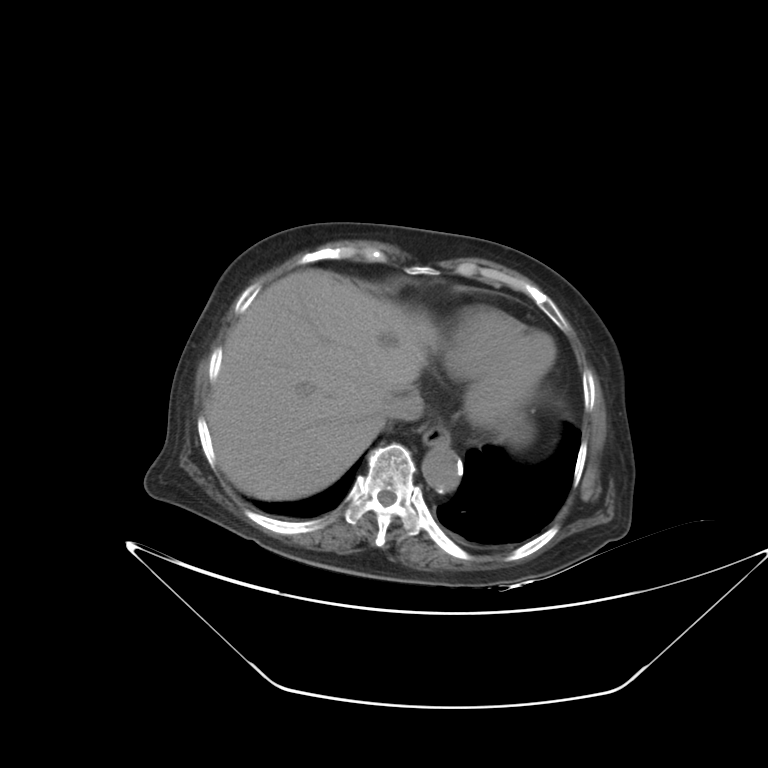

CT, abdomen/pelvis. axial plane, index 86. 768x768 px. 80-year-old female patient
<organs><organ name="esophagus" x1="421" y1="424" x2="450" y2="446"/><organ name="liver" x1="210" y1="269" x2="438" y2="500"/><organ name="stomach" x1="505" y1="421" x2="532" y2="445"/><organ name="aorta" x1="422" y1="446" x2="462" y2="492"/><organ name="inferior vena cava" x1="379" y1="389" x2="424" y2="420"/></organs>